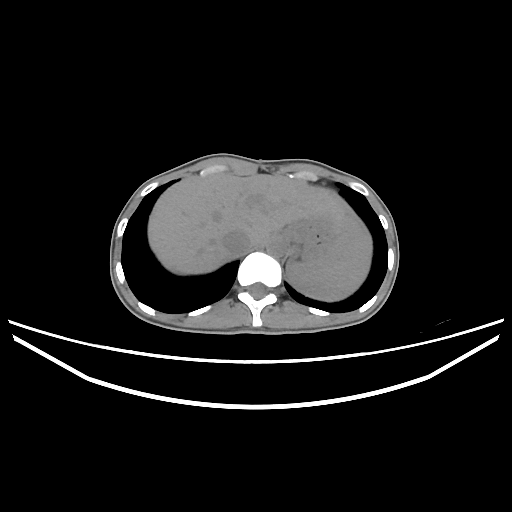 CT, abdomen/pelvis · axial plane, index 76 · soft-tissue window (W 400 / L 40) · 31-year-old female patient · scan has 15 labeled organs (a whole-scan count: organs this slice does not pass through have no box)
Organ boxes in pixel coordinates; each row gives the top-left (x1, y1) and bottom-right (x2, y2) corners.
| organ | x1 | y1 | x2 | y2 |
|---|---|---|---|---|
| liver | 148 | 174 | 358 | 274 |
| inferior vena cava | 221 | 230 | 251 | 254 |
| stomach | 277 | 215 | 340 | 262 |
| aorta | 266 | 237 | 285 | 257 |
| spleen | 287 | 216 | 371 | 300 |